CT, abdomen/pelvis · Axial slice 190/192
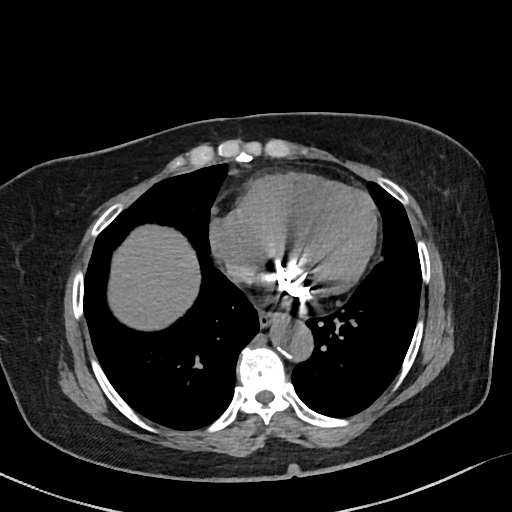
One row per box, in pixels: columns x1 and y1 give the top-left corner, x2 and y2 the bottom-right.
| organ | x1 | y1 | x2 | y2 |
|---|---|---|---|---|
| esophagus | 258 | 306 | 276 | 326 |
| liver | 110 | 226 | 199 | 329 |
| aorta | 268 | 311 | 310 | 358 |
| inferior vena cava | 227 | 263 | 254 | 286 |